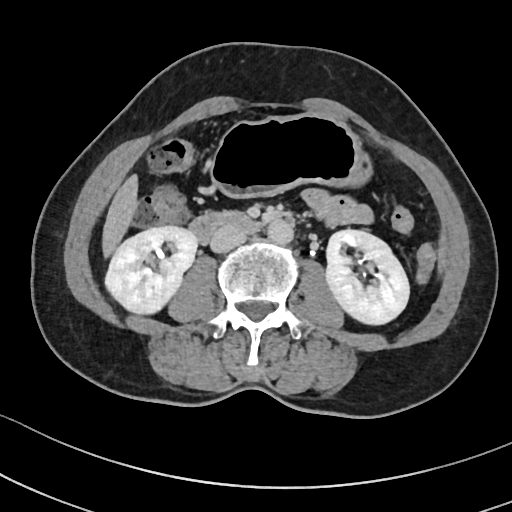
Computed tomography, abdomen; axial view; abdomen soft-tissue window; 512x512 px
Coordinates as <box>x1,y1,x2,y2</box> in pixels.
Organ bounding boxes:
- right kidney: <box>102,226,196,314</box>
- left kidney: <box>324,230,409,325</box>
- liver: <box>100,175,138,260</box>
- stomach: <box>209,115,370,198</box>
- aorta: <box>268,220,294,246</box>
- inferior vena cava: <box>210,227,246,254</box>
- duodenum: <box>189,211,262,244</box>